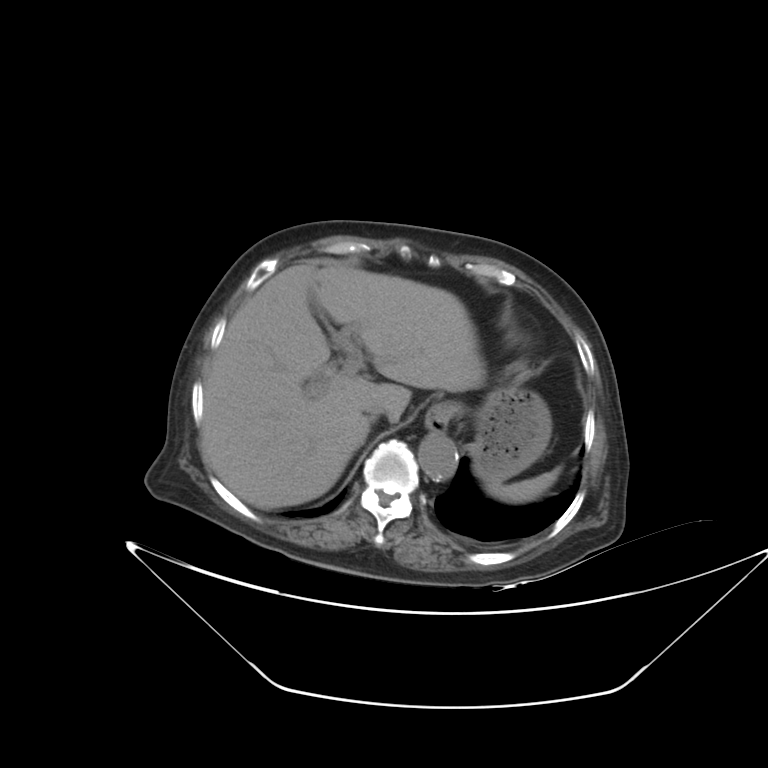
CT, abdomen/pelvis. Axial slice 84/105. 768x768 px. 80-year-old female patient
{"organs":{"stomach":[469,378,551,483],"liver":[200,264,484,508],"aorta":[418,432,458,480],"spleen":[486,467,560,503],"esophagus":[425,403,458,432],"inferior vena cava":[364,402,399,421]}}